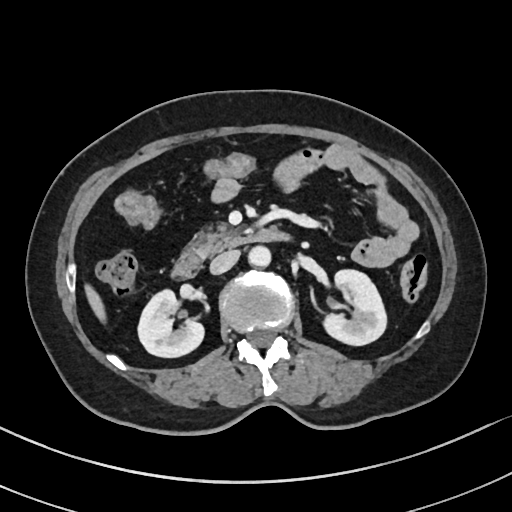

Abdominal CT — axial view — soft-tissue window — 512x512 px — 14 organs annotated in this scan (that count is for the whole scan; organs this slice misses have no box)
<organs><organ name="right kidney" x1="137" y1="289" x2="204" y2="357"/><organ name="left kidney" x1="323" y1="269" x2="386" y2="345"/><organ name="liver" x1="85" y1="285" x2="105" y2="321"/><organ name="aorta" x1="248" y1="246" x2="270" y2="267"/><organ name="inferior vena cava" x1="210" y1="250" x2="239" y2="274"/><organ name="pancreas" x1="189" y1="225" x2="243" y2="257"/><organ name="duodenum" x1="171" y1="229" x2="290" y2="278"/></organs>